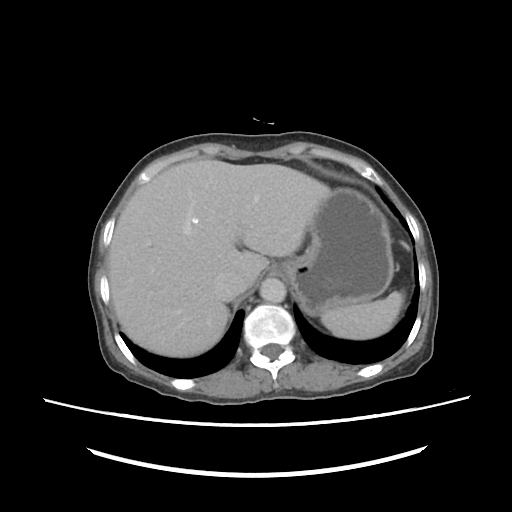
CT abdomen. axial view. 60-year-old female patient. Aquilion ONE scanner
Box edges are left/top/right/bottom in pixels.
liver: left=108, top=160, right=327, bottom=356
inferior vena cava: left=212, top=271, right=246, bottom=300
spleen: left=320, top=290, right=403, bottom=339
aorta: left=258, top=277, right=286, bottom=302
stomach: left=282, top=186, right=394, bottom=314